Computed tomography, abdomen · axial plane, index 13 · 512x512 px · scan has 15 labeled organs (counted over the whole 3D scan, not this slice; an organ is boxed only where this slice passes through it)
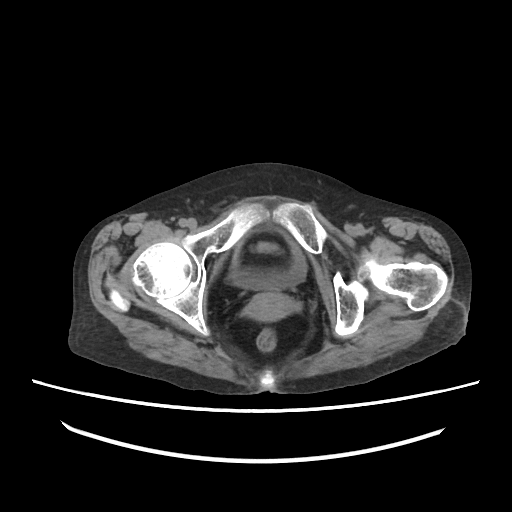
Each box given as x1,y1,x2,y2. The annotated organs in this slice are: bladder at x1=229, y1=229, x2=307, y2=289, prostate/uterus at x1=244, y1=292, x2=298, y2=321.